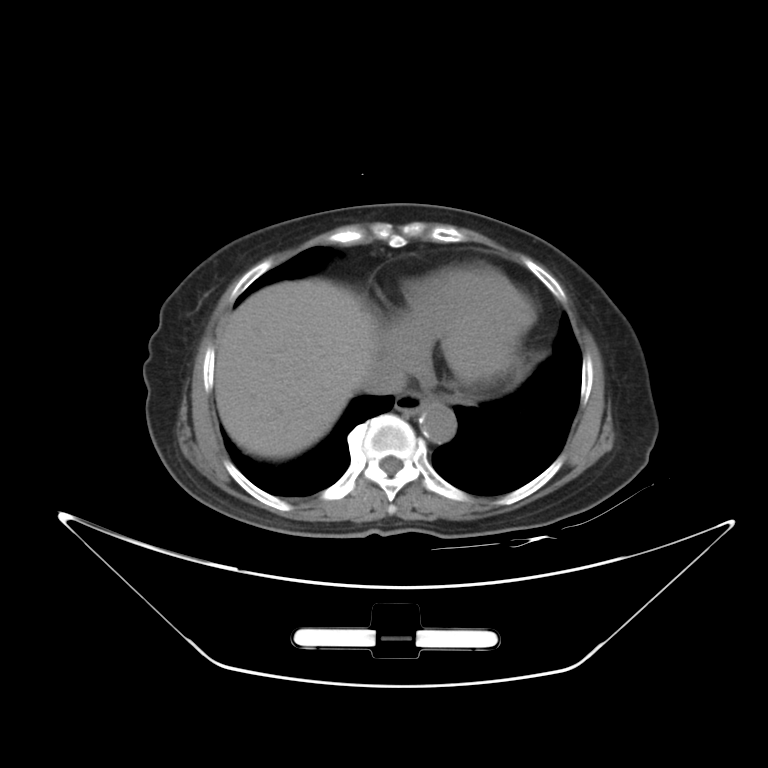
Abdominal CT. axial plane, index 82. soft-tissue window. 768x768 px. 66-year-old female patient. 15 organs annotated in this scan (a whole-scan count: organs this slice does not pass through have no box)
Coordinates as <box>x1,y1,x2,y2</box> in pixels.
Organ bounding boxes:
- liver: <box>216,279,375,457</box>
- esophagus: <box>395,391,434,414</box>
- inferior vena cava: <box>357,358,406,394</box>
- aorta: <box>418,402,456,442</box>